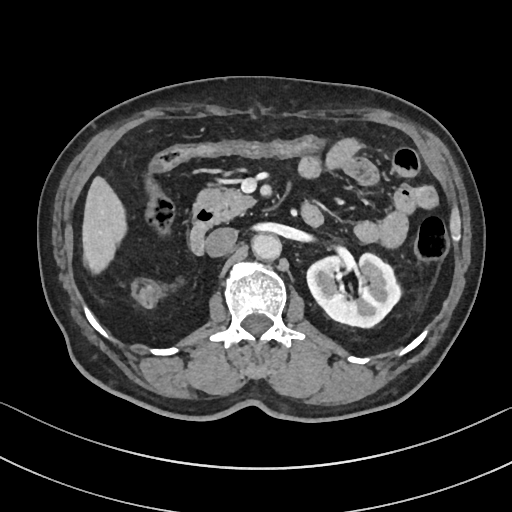 Abdominal CT; axial view; 512x512 px
<organs><organ name="left kidney" x1="307" y1="253" x2="400" y2="327"/><organ name="liver" x1="82" y1="176" x2="126" y2="273"/><organ name="aorta" x1="252" y1="234" x2="281" y2="260"/><organ name="inferior vena cava" x1="205" y1="227" x2="237" y2="256"/><organ name="pancreas" x1="193" y1="186" x2="255" y2="222"/><organ name="duodenum" x1="189" y1="210" x2="215" y2="254"/></organs>